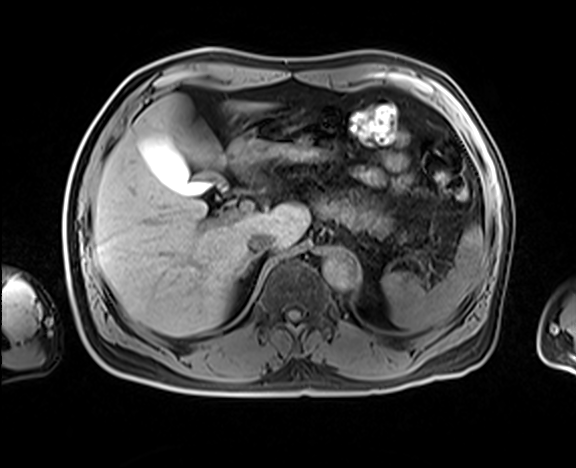

Abdominal MRI · axial view · percentile-normalized · acquired on Prisma
Boxes are (x1, y1, x2, y2) in pixels.
Organ bounding boxes:
- gall bladder: (141, 139, 227, 194)
- pancreas: (317, 200, 389, 236)
- inferior vena cava: (248, 231, 275, 254)
- aorta: (322, 248, 359, 289)
- liver: (93, 93, 309, 336)
- stomach: (225, 109, 335, 166)
- right adrenal gland: (246, 260, 250, 268)
- spleen: (382, 226, 484, 332)